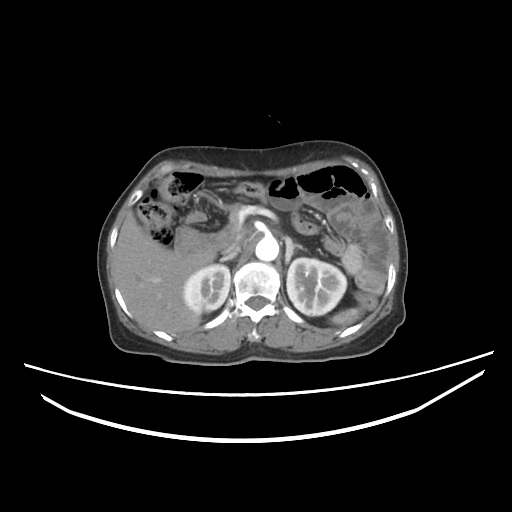

CT, abdomen/pelvis · Axial slice 72/122 · 63-year-old female patient
Boxes: x1:y1:x2:y2 in pixels. The annotated organs in this slice are: left adrenal gland at 284:237:303:265, spleen at 333:307:362:325, liver at 114:212:220:333, inferior vena cava at 218:235:242:257, left kidney at 286:258:346:315, right adrenal gland at 219:246:239:262, aorta at 256:237:278:262, duodenum at 174:222:237:256, right kidney at 182:265:230:313.